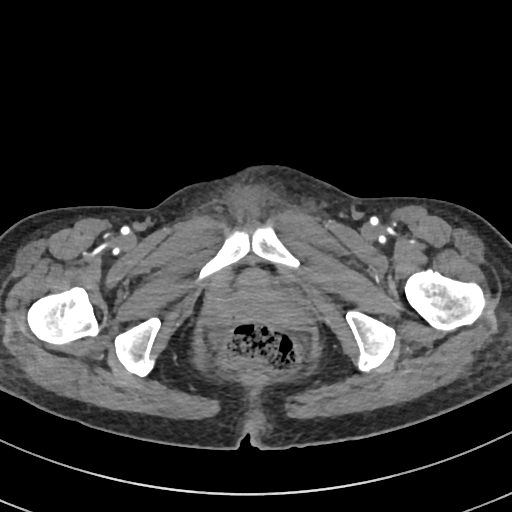 CT, abdomen/pelvis; axial plane, index 7; soft-tissue window (W 400 / L 40); 512x512 px; scan has 15 labeled organs (that count is for the whole scan; organs this slice misses have no box)
Boxes are (x1, y1, x2, y2) in pixels.
bladder: (235, 269, 269, 288)